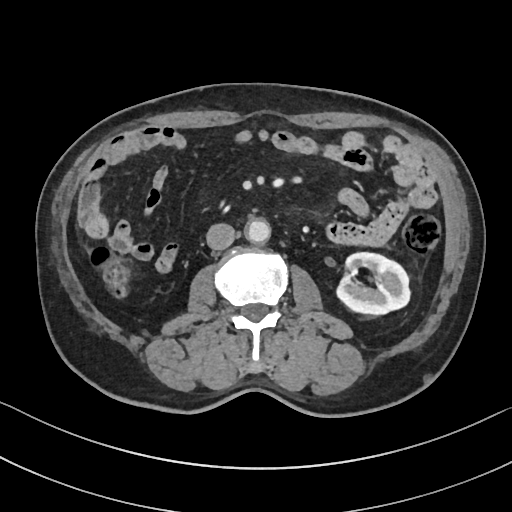
Computed tomography, abdomen · Axial slice 139/221 · W/L 400/40 HU
Each box given as x1,y1,x2,y2.
Organ bounding boxes:
- inferior vena cava: x1=206, y1=223, x2=235, y2=250
- aorta: x1=245, y1=219, x2=270, y2=244
- left kidney: x1=335, y1=252, x2=411, y2=315